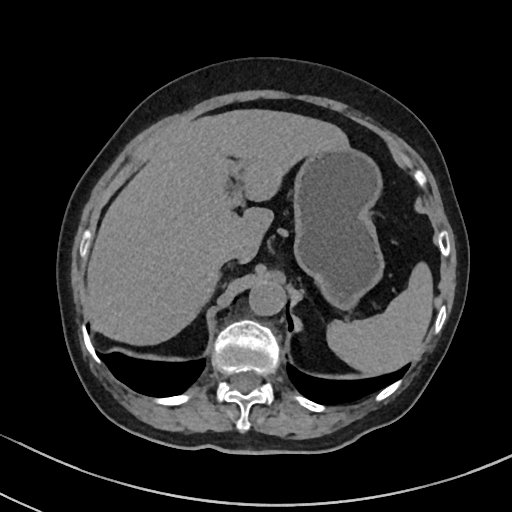
CT, abdomen/pelvis — axial plane, index 162 — soft-tissue window — 512x512 px — acquired on SOMATOM Force — scan has 15 labeled organs (counted over the whole 3D scan, not this slice; an organ is boxed only where this slice passes through it)
Bounding boxes as [x1, y1, x2, y2] in pixel coordinates.
spleen: [326, 263, 432, 374]
liver: [86, 110, 349, 344]
stomach: [292, 150, 385, 309]
aorta: [248, 281, 285, 316]
inferior vena cava: [219, 247, 240, 266]